Computed tomography, abdomen · axial view · 768x768 px · 15 organs annotated in this scan (a whole-scan count: organs this slice does not pass through have no box)
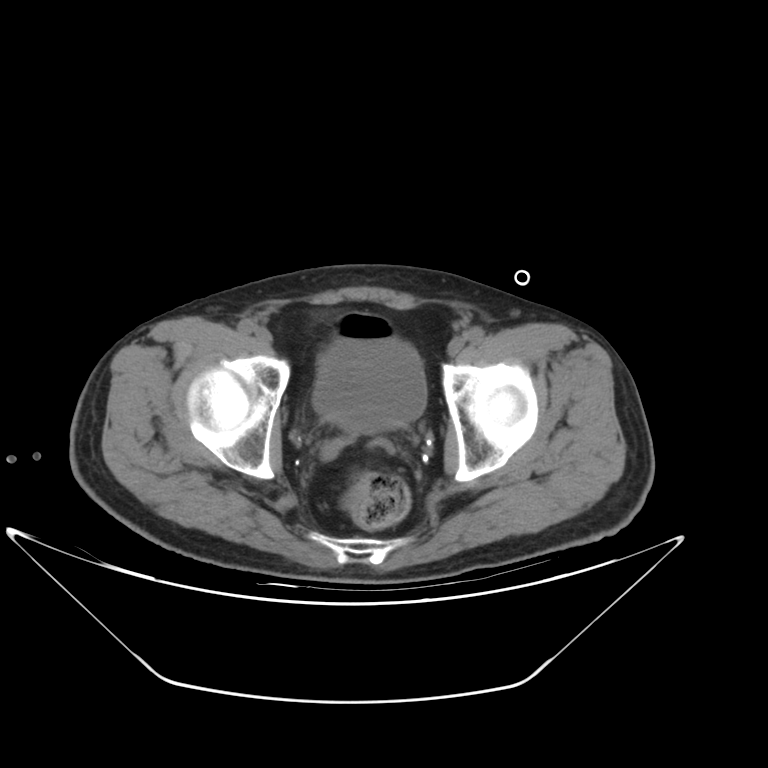
<organs><organ name="bladder" x1="313" y1="326" x2="426" y2="433"/></organs>